CT, abdomen/pelvis; axial view
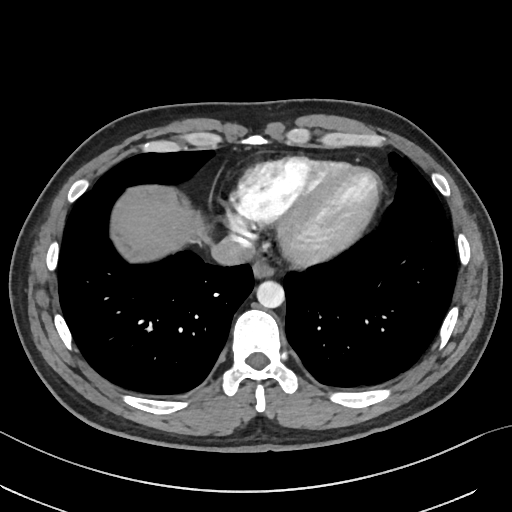
{"organs":{"esophagus":[252,258,274,278],"liver":[122,200,196,259],"aorta":[256,280,284,307],"inferior vena cava":[211,235,255,265]}}